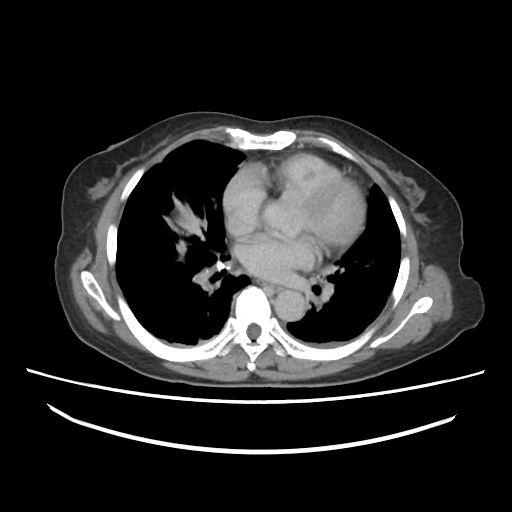
CT, abdomen/pelvis — axial view — soft-tissue window (W 400 / L 40) — 512x512 px — 71-year-old female patient — 15 organs annotated in this scan (counted over the whole 3D scan, not this slice; an organ is boxed only where this slice passes through it)
<organs><organ name="esophagus" x1="258" y1="280" x2="282" y2="289"/><organ name="liver" x1="165" y1="200" x2="204" y2="258"/><organ name="aorta" x1="274" y1="290" x2="307" y2="320"/></organs>